CT, abdomen/pelvis — axial plane, index 16 — soft-tissue window (W 400 / L 40) — scan has 14 labeled organs (counted over the whole 3D scan, not this slice; an organ is boxed only where this slice passes through it)
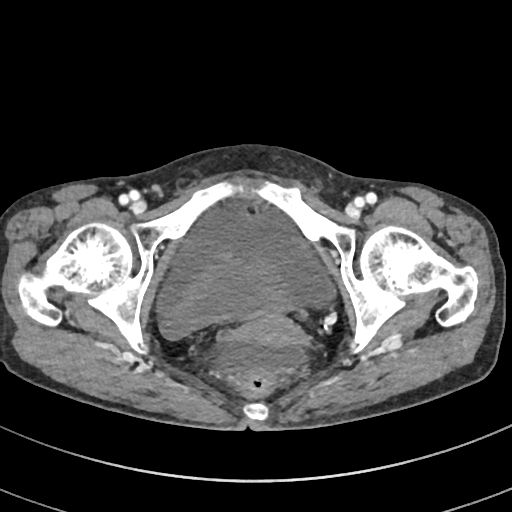 Boxes: x1 y1 x2 y2 (pixel coords, space-separated).
bladder: 160 253 296 337
prostate/uterus: 242 313 300 347